CT, abdomen/pelvis; Axial slice 50/87
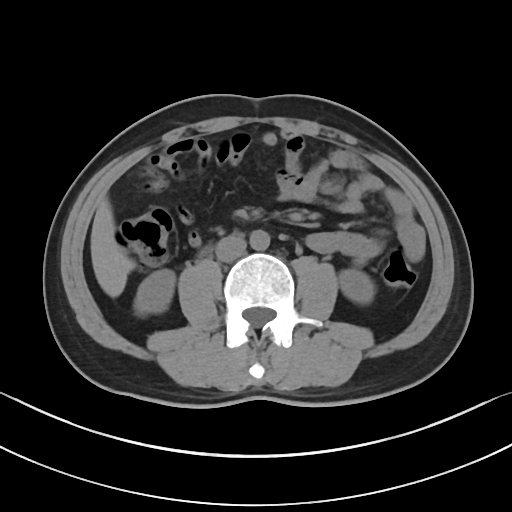
Each box given as x1,y1,x2,y2.
inferior vena cava: x1=215, y1=235, x2=246, y2=262
left kidney: x1=339, y1=269, x2=375, y2=304
liver: x1=90, y1=197, x2=134, y2=297
aorta: x1=249, y1=230, x2=270, y2=250
right kidney: x1=135, y1=269, x2=175, y2=314